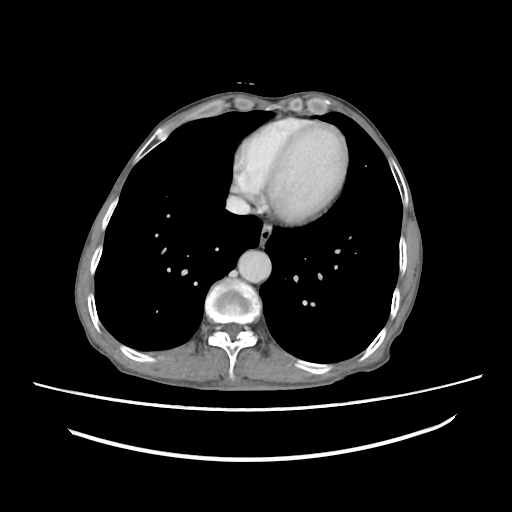

Lower-chest slice from an abdominal CT, just above the liver and spleen — axial view — W/L 400/40 HU — Aquilion ONE scanner
No part of the heart or lungs is labeled in this dataset, so neither has a box here.
{"organs":{"esophagus":[260,224,272,242],"aorta":[238,250,271,282],"inferior vena cava":[226,195,250,214]}}